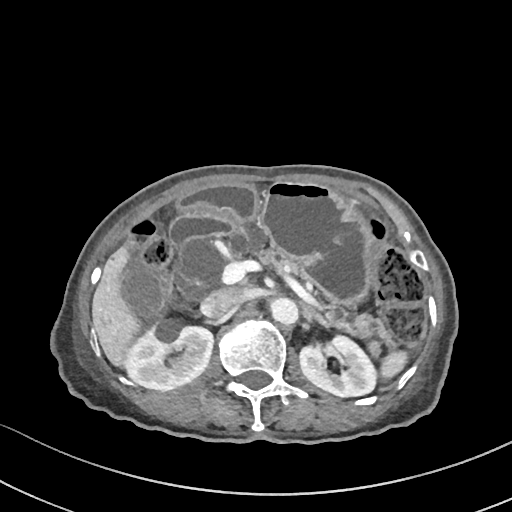

Computed tomography, abdomen. axial view. W/L 400/40 HU
{"organs":{"spleen":[380,350,407,379],"duodenum":[169,212,234,245],"inferior vena cava":[201,287,249,318],"aorta":[270,298,297,325],"pancreas":[229,222,390,356],"stomach":[179,182,381,302],"right kidney":[124,318,213,390],"gall bladder":[123,272,163,315],"liver":[92,247,140,365],"left kidney":[299,336,376,397]}}